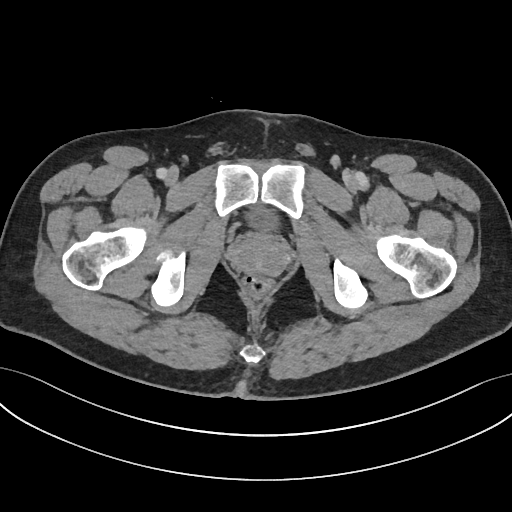
Computed tomography, abdomen · axial plane, index 22 · soft-tissue window (W 400 / L 40) · 512x512 px · acquired on SOMATOM Force
Each box given as x1,y1,x2,y2.
Organ bounding boxes:
- bladder: x1=246, y1=206, x2=280, y2=231
- prostate/uterus: x1=230, y1=235, x2=286, y2=275